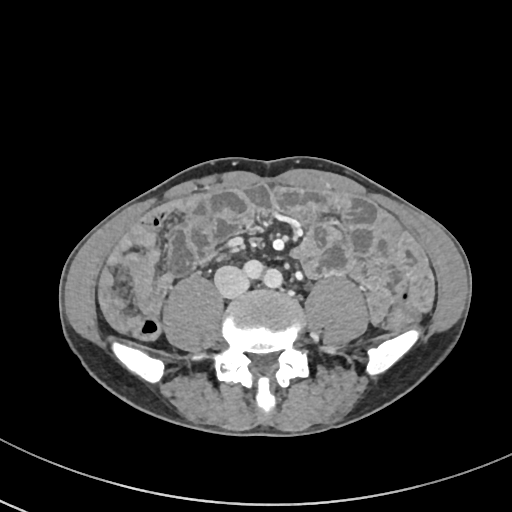
CT, abdomen/pelvis; axial view
{"organs":{"inferior vena cava":[214,266,249,297]}}